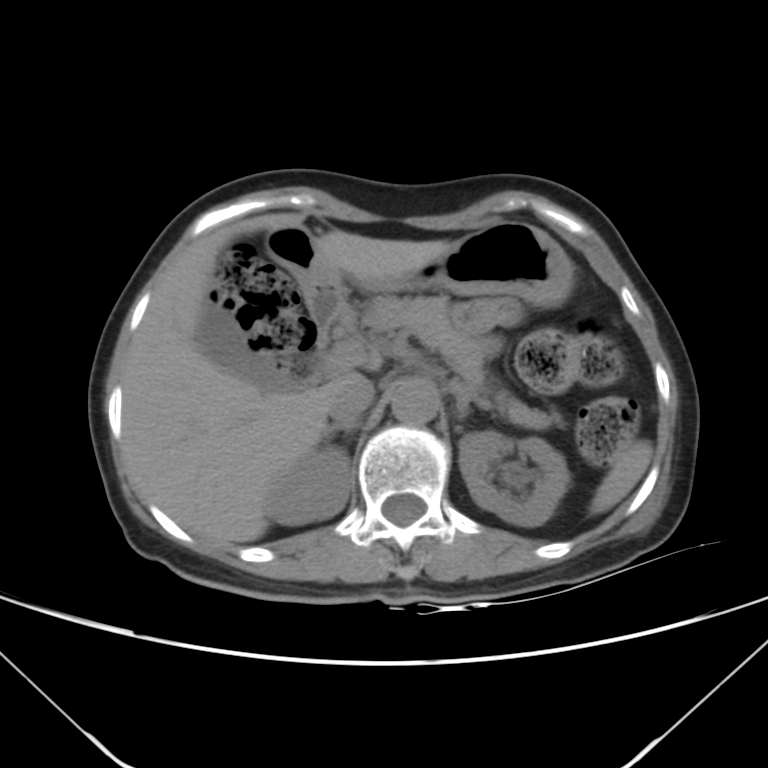 CT abdomen — axial view — soft-tissue window — 15 organs annotated in this scan (a whole-scan count: organs this slice does not pass through have no box)
Bounding boxes in pixels, one row per box: x1, y1 is the top-left corner and x2, y2 the bottom-right.
| organ | x1 | y1 | x2 | y2 |
|---|---|---|---|---|
| spleen | 590 | 440 | 654 | 514 |
| right kidney | 267 | 445 | 352 | 524 |
| left kidney | 459 | 431 | 570 | 526 |
| gall bladder | 195 | 305 | 290 | 390 |
| liver | 122 | 213 | 451 | 544 |
| stomach | 265 | 222 | 573 | 324 |
| aorta | 391 | 379 | 439 | 423 |
| inferior vena cava | 328 | 375 | 374 | 423 |
| pancreas | 359 | 295 | 563 | 430 |
| right adrenal gland | 326 | 421 | 359 | 437 |
| left adrenal gland | 450 | 382 | 488 | 418 |
| duodenum | 314 | 319 | 329 | 355 |